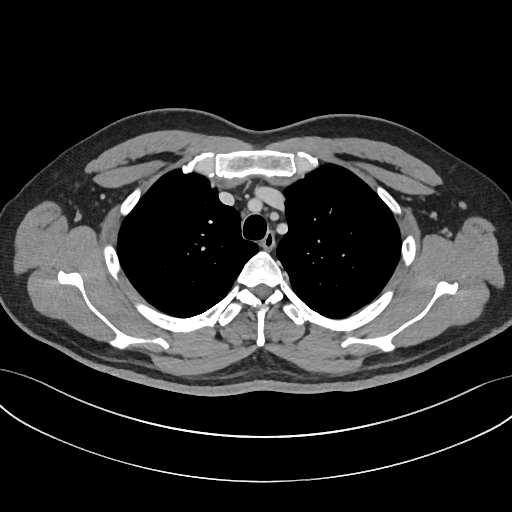

CT of the abdomen extending into the chest, slice through the chest. axial view
At this level of the chest this dataset labels only the esophagus and the aorta, and each is boxed only where it is labeled; the heart and lungs are never labeled.
<organs><organ name="esophagus" x1="260" y1="233" x2="274" y2="250"/></organs>